Abdominal CT · Axial slice 118/307 · 512x512 px · SOMATOM Force scanner
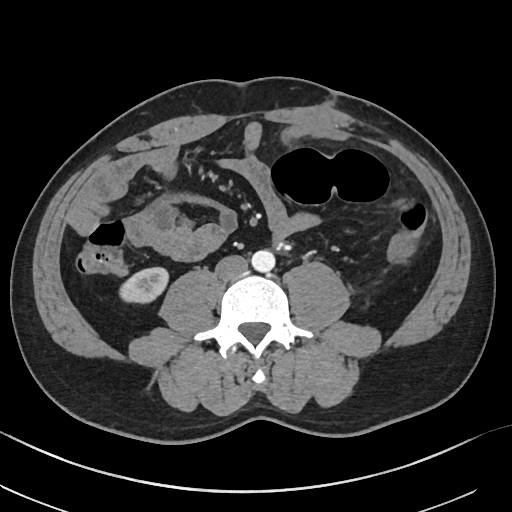 {"organs":{"right kidney":[120,266,169,302],"aorta":[252,249,275,272],"inferior vena cava":[215,255,248,280]}}